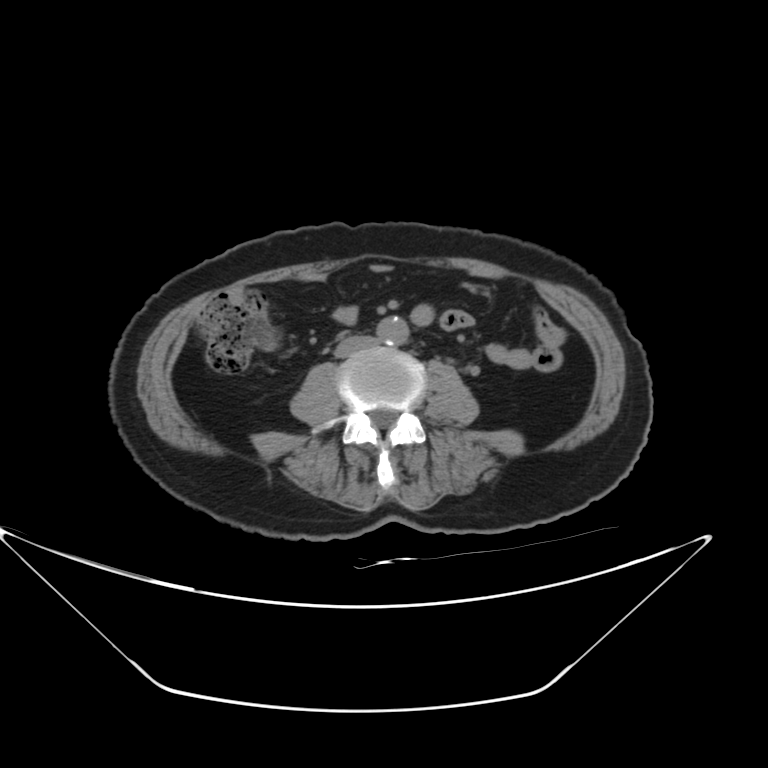

Abdominal CT. axial view. W/L 400/40 HU. acquired on Brilliance16
<organs><organ name="inferior vena cava" x1="334" y1="335" x2="376" y2="357"/><organ name="aorta" x1="376" y1="315" x2="409" y2="344"/></organs>